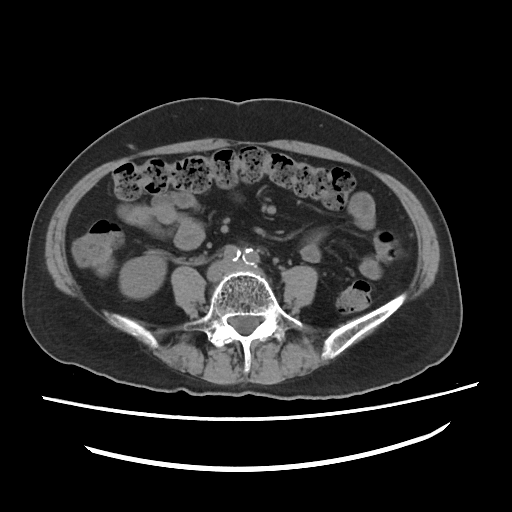 Computed tomography, abdomen. Axial slice 42/88. W/L 400/40 HU. Aquilion ONE scanner
Boxes are (x1, y1, x2, y2) in pixels. The annotated organs in this slice are: right kidney at (119, 257, 166, 298).